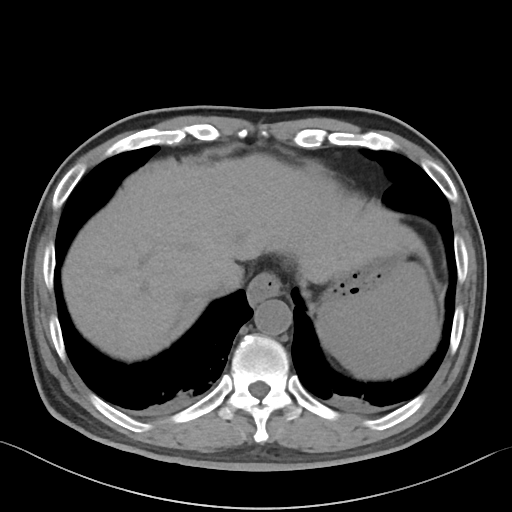

Abdominal CT. axial view. W/L 400/40 HU
Boxes: x1 y1 x2 y2 (pixel coords, space-separated).
Organ bounding boxes:
- esophagus: 247 273 281 304
- stomach: 322 255 403 301
- inferior vena cava: 210 281 225 294
- spleen: 318 263 438 378
- aorta: 254 299 291 335
- liver: 62 153 431 361